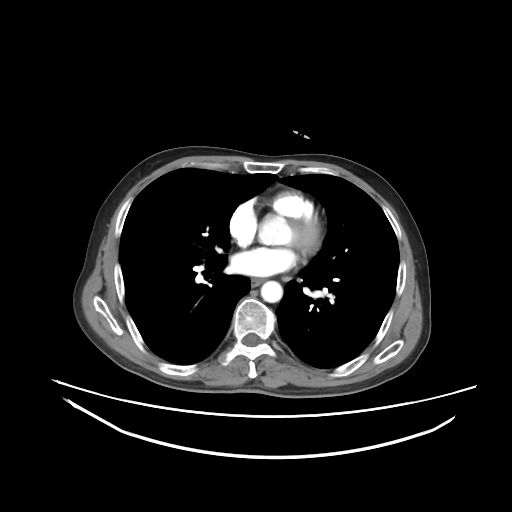

Abdominal CT reaching into the chest; this slice is in the chest — axial plane, index 99 — 512x512 px — 52-year-old male patient — scan has 15 labeled organs (that count is for the whole scan; organs this slice misses have no box)
On a slice this high in the chest, this dataset labels only the esophagus and the aorta, and each is boxed only where it is labeled; the heart, lungs and other chest structures are not labeled.
{"organs":{"esophagus":[251,278,264,286],"aorta":[260,281,282,302]}}